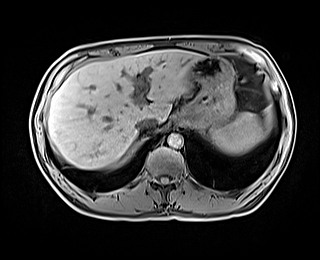
Magnetic resonance imaging, abdomen · axial view · Prisma scanner · scan has 13 labeled organs (a whole-scan count: organs this slice does not pass through have no box)
{"organs":{"spleen":[211,113,263,154],"liver":[47,49,203,169],"stomach":[178,57,234,128],"aorta":[168,133,183,148],"inferior vena cava":[136,117,157,132]}}